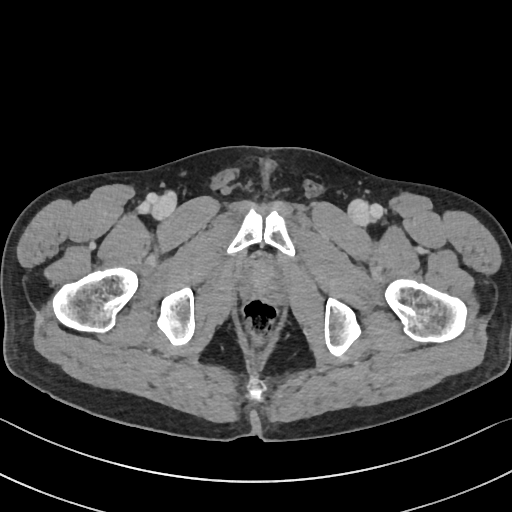

CT, abdomen/pelvis — axial view — abdomen soft-tissue window
Each box given as x1,y1,x2,y2.
Organ bounding boxes:
- prostate/uterus: x1=252, y1=267, x2=276, y2=286